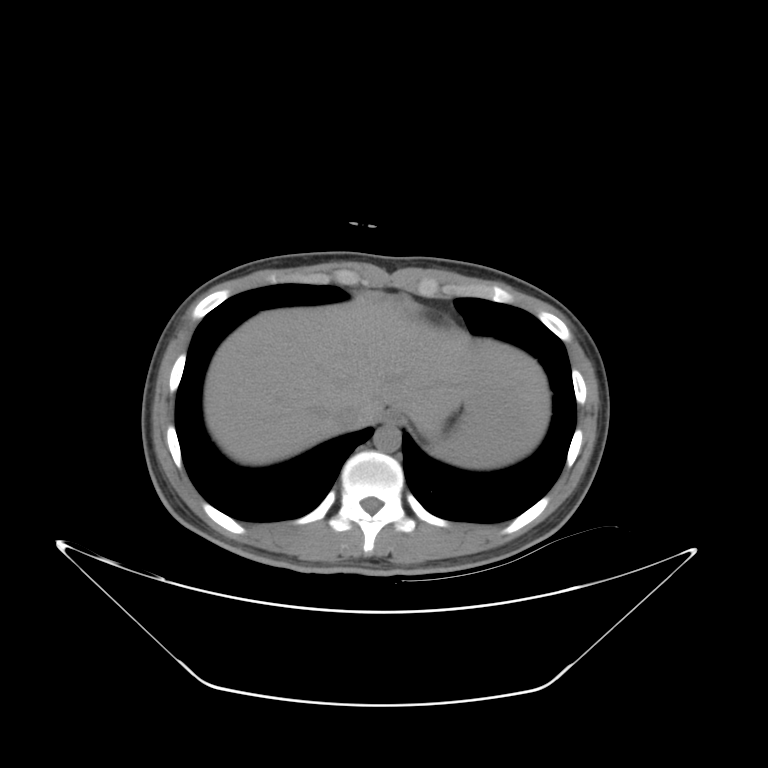 CT, abdomen/pelvis — axial plane, index 89 — soft-tissue window (W 400 / L 40) — 768x768 px — Brilliance16 scanner
{"organs":{"spleen":[430,397,524,470],"esophagus":[383,413,400,424],"liver":[204,298,549,466],"aorta":[373,426,401,452],"inferior vena cava":[333,407,360,428]}}